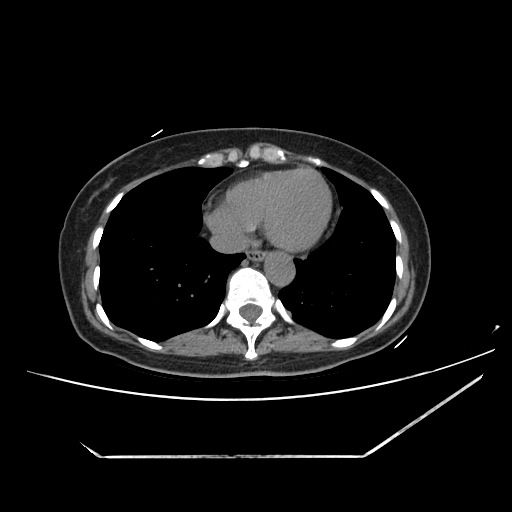 CT of the abdomen reaching into the lower chest, slice just above the liver and spleen — axial plane, index 137 — SOMATOM Force scanner — scan has 14 labeled organs (that count is for the whole scan; organs this slice misses have no box)
The heart and lungs are never labeled in this dataset, so they have no box on this slice.
Bounding boxes in pixels, one row per box: x1, y1 is the top-left corner and x2, y2 the bottom-right.
| organ | x1 | y1 | x2 | y2 |
|---|---|---|---|---|
| esophagus | 246 | 249 | 267 | 262 |
| aorta | 265 | 254 | 295 | 287 |
| inferior vena cava | 210 | 228 | 250 | 253 |